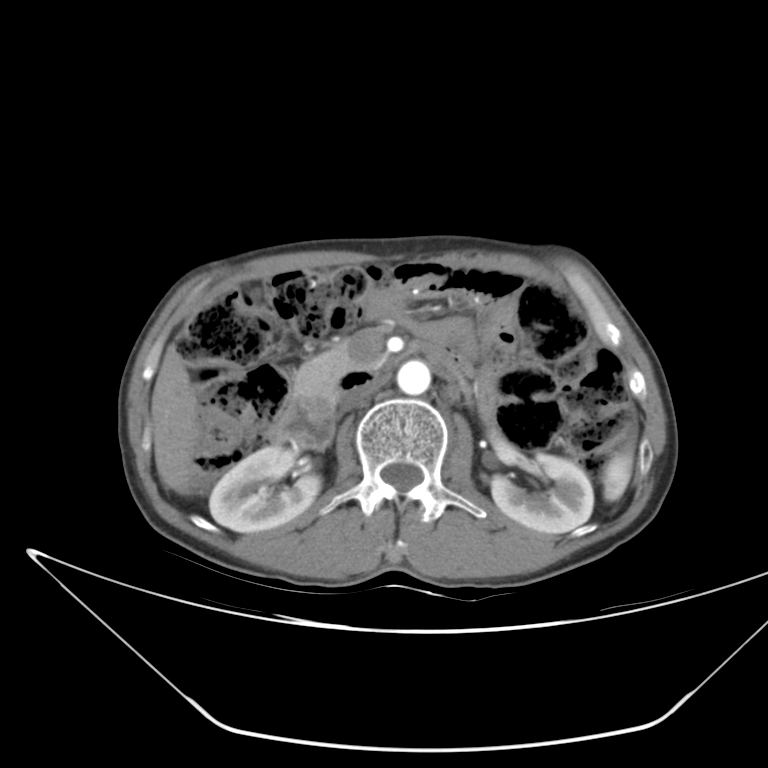 CT, abdomen/pelvis · axial view · W/L 400/40 HU
Boxes: x1 y1 x2 y2 (pixel coords, space-separated).
Organ bounding boxes:
- spleen: 602 449 632 501
- right kidney: 209 445 321 532
- left kidney: 491 452 593 533
- liver: 151 345 199 493
- aorta: 397 360 430 395
- inferior vena cava: 339 379 382 409
- pancreas: 294 345 359 397
- duodenum: 270 367 377 448